Computed tomography, abdomen — axial view — soft-tissue window (W 400 / L 40) — Aquilion ONE scanner
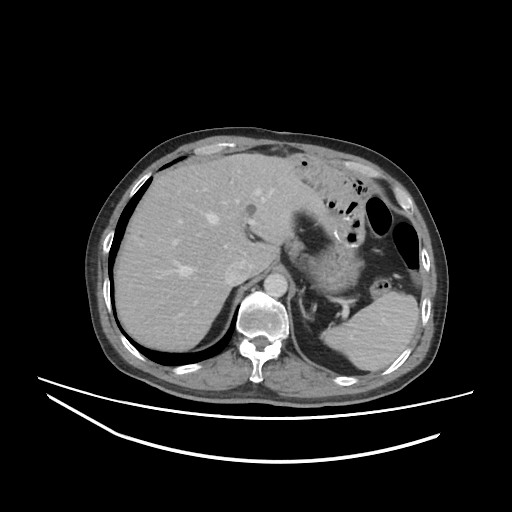
Each box given as x1,y1,x2,y2.
Organ bounding boxes:
- spleen: x1=321, y1=291, x2=419, y2=371
- liver: x1=114, y1=153, x2=327, y2=351
- stomach: x1=303, y1=241, x2=363, y2=293
- aorta: x1=263, y1=273, x2=287, y2=297
- inferior vena cava: x1=225, y1=259, x2=250, y2=285
- pancreas: x1=286, y1=237, x2=309, y2=261
- left adrenal gland: x1=300, y1=301, x2=312, y2=319